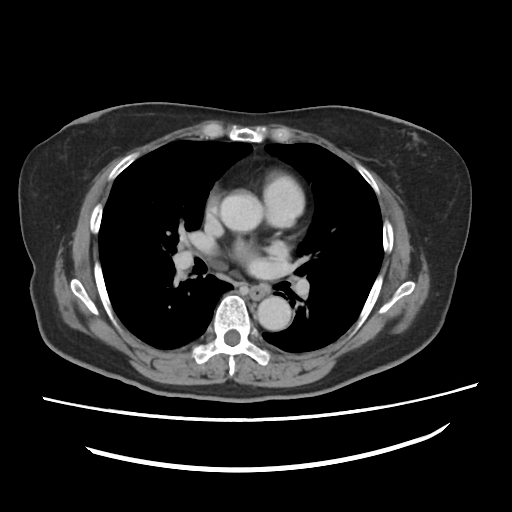 CT of the abdomen extending into the chest, slice through the chest; axial view; 512x512 px; 61-year-old female patient
At this level of the chest no structure but the esophagus and the aorta has a label in this dataset, and those two are boxed only where they are labeled.
Boxes: x1:y1:x2:y2 in pixels.
esophagus: 249:284:267:297
aorta: 217:190:263:232
aorta: 257:296:291:330